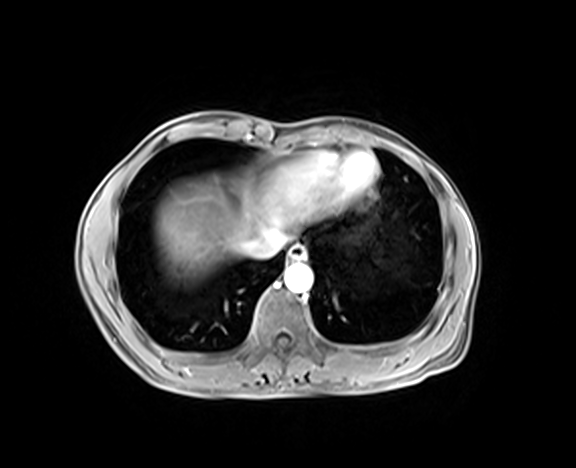 Abdominal MR · axial view · 576x468 px
Bounding boxes in pixels, one row per box: x1, y1 is the top-left corner and x2, y2 the bottom-right.
| organ | x1 | y1 | x2 | y2 |
|---|---|---|---|---|
| esophagus | 287 | 245 | 306 | 260 |
| liver | 156 | 173 | 312 | 275 |
| aorta | 284 | 265 | 312 | 292 |
| inferior vena cava | 246 | 228 | 285 | 258 |